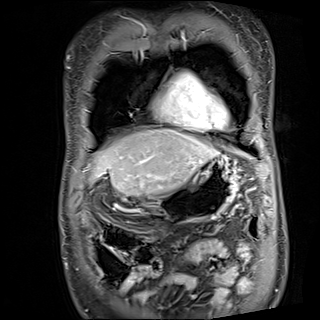

Abdominal MR — coronal view — percentile-normalized — scan has 13 labeled organs (a whole-scan count: organs this slice does not pass through have no box)
{"organs":{"liver":[92,129,217,195],"stomach":[136,155,239,225]}}